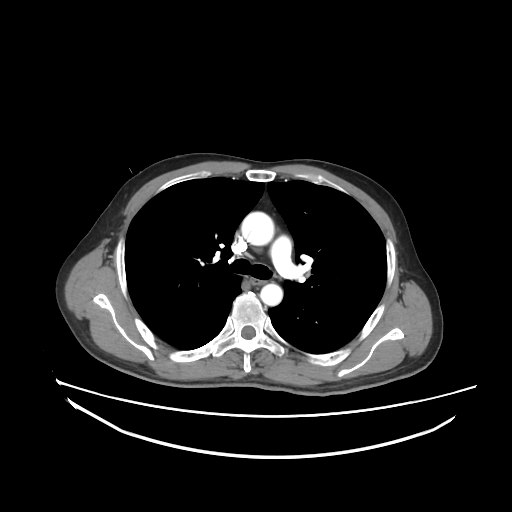

Chest-level CT slice, above the liver and spleen · axial view · 52-year-old male patient
At this level of the chest no structure but the esophagus and the aorta has a label in this dataset, and those two are boxed only where they are labeled.
{"organs":{"esophagus":[251,277,265,285],"aorta":[[241,212,274,245],[260,283,282,305]]}}